CT abdomen; axial plane, index 2; W/L 400/40 HU; 512x512 px; SOMATOM Force scanner
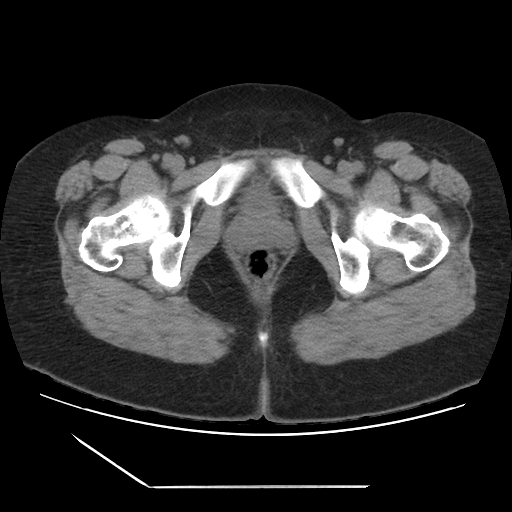 {"organs":{"bladder":[242,185,275,214]}}